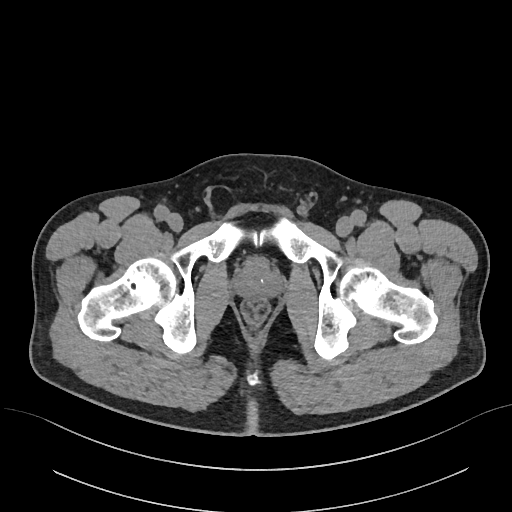

CT abdomen · axial plane, index 27 · soft-tissue window
Bounding boxes in pixels, one row per box: x1, y1 is the top-left corner and x2, y2 the bottom-right.
| organ | x1 | y1 | x2 | y2 |
|---|---|---|---|---|
| prostate/uterus | 234 | 257 | 280 | 297 |